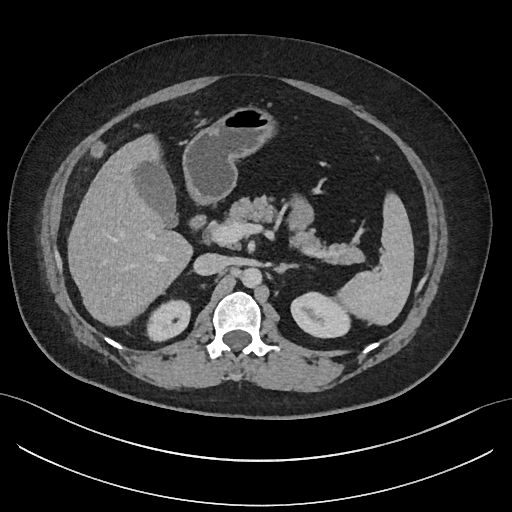

Abdominal CT · axial view · W/L 400/40 HU · 512x512 px
{"organs":{"duodenum":[192,215,205,226],"pancreas":[227,196,363,264],"inferior vena cava":[193,253,226,275],"spleen":[336,194,413,326],"left kidney":[291,292,349,337],"gall bladder":[133,161,177,227],"stomach":[184,107,273,201],"liver":[68,135,194,323],"right kidney":[148,299,189,338],"aorta":[239,268,261,288],"left adrenal gland":[273,264,297,274]}}